CT abdomen — axial plane, index 38 — soft-tissue window (W 400 / L 40) — acquired on SOMATOM Force
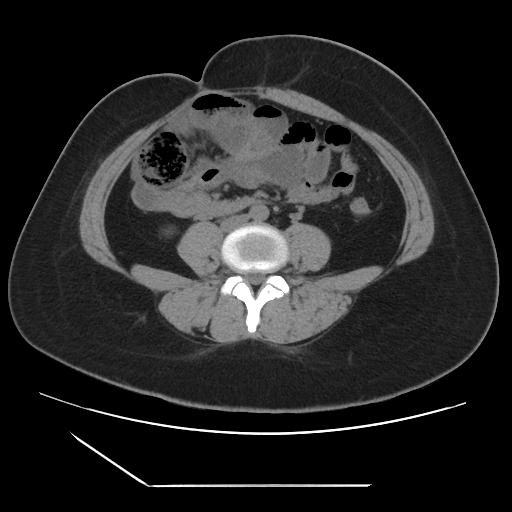 Bounding boxes as [x1, y1, x2, y2] in pixel coordinates. The annotated organs in this slice are: right kidney at [165, 228, 172, 234], aorta at [250, 204, 268, 220], inferior vena cava at [221, 214, 248, 231].